Abdominal CT; this slice is in the lower chest, just above the liver; axial view
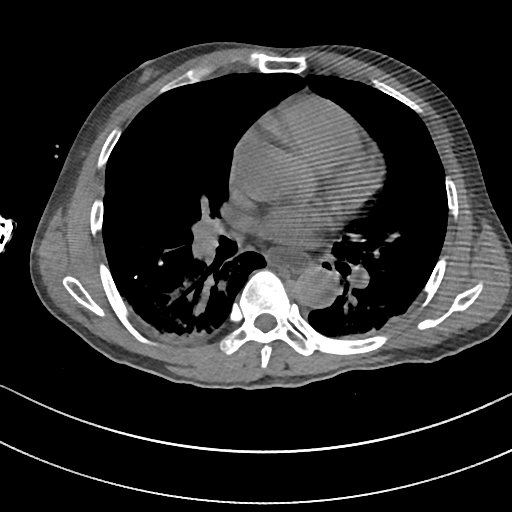
No part of the heart or lungs is labeled in this dataset, so neither has a box here.
Organ boxes in pixel coordinates; each row gives the top-left (x1, y1) and bottom-right (x2, y2) corners.
| organ | x1 | y1 | x2 | y2 |
|---|---|---|---|---|
| esophagus | 267 | 250 | 308 | 270 |
| aorta | 297 | 272 | 334 | 305 |